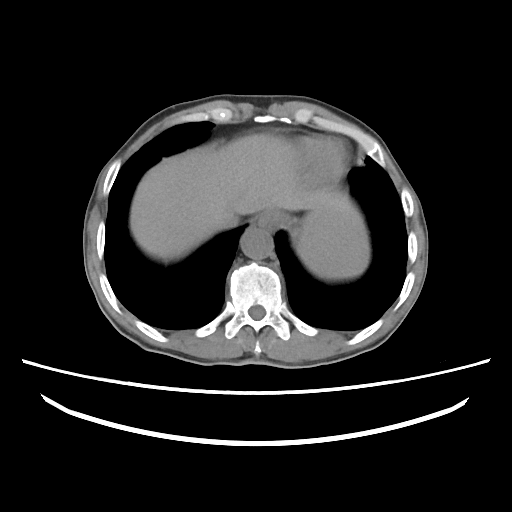

CT, abdomen/pelvis — Axial slice 85/90 — 512x512 px — Aquilion ONE scanner
Bounding boxes in pixels, one row per box: x1, y1 is the top-left corner and x2, y2 the bottom-right.
| organ | x1 | y1 | x2 | y2 |
|---|---|---|---|---|
| spleen | 295 | 208 | 370 | 279 |
| esophagus | 257 | 208 | 295 | 232 |
| liver | 132 | 133 | 364 | 259 |
| aorta | 241 | 227 | 272 | 258 |
| inferior vena cava | 217 | 213 | 237 | 229 |